Computed tomography, abdomen — axial plane, index 74 — soft-tissue window (W 400 / L 40)
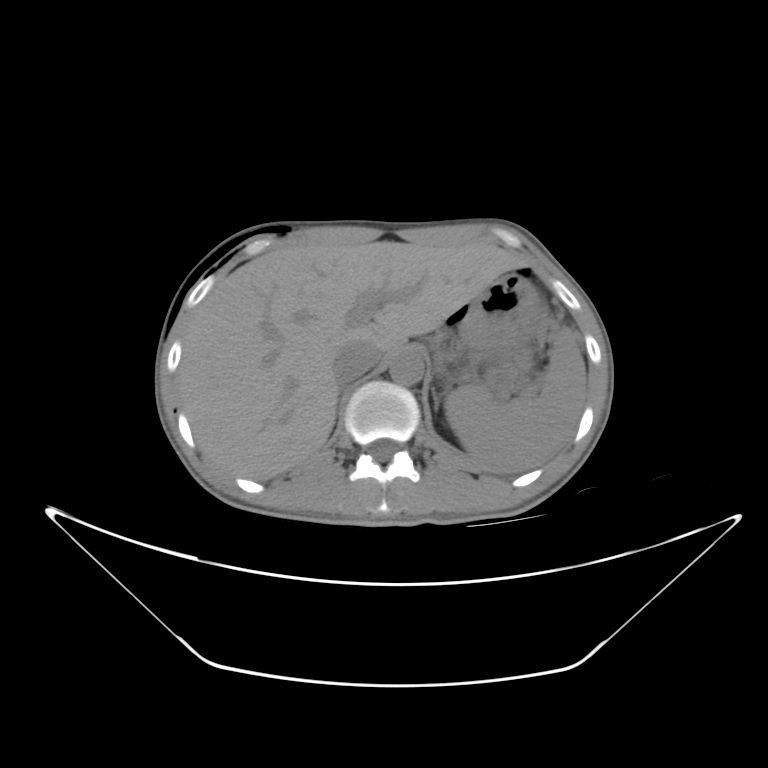

Box edges are left/top/right/bottom in pixels. The annotated organs in this slice are: spleen at left=444, top=328, right=584, bottom=472, liver at left=182, top=243, right=517, bottom=480, stomach at left=461, top=272, right=539, bottom=357, aorta at left=382, top=355, right=426, bottom=385, inferior vena cava at left=321, top=340, right=380, bottom=380, left adrenal gland at left=430, top=388, right=444, bottom=422.